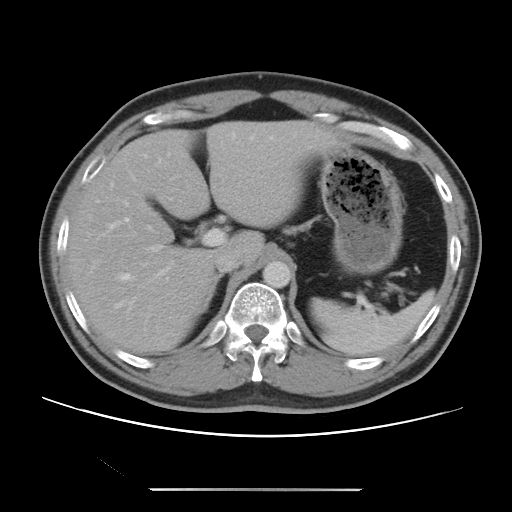

Abdominal CT · axial view · 512x512 px · scan has 15 labeled organs (counted over the whole 3D scan, not this slice; an organ is boxed only where this slice passes through it)
{"organs":{"aorta":[262,261,291,288],"stomach":[318,143,403,274],"liver":[65,120,343,354],"spleen":[310,289,434,356],"right adrenal gland":[200,274,222,314],"inferior vena cava":[214,248,241,272]}}